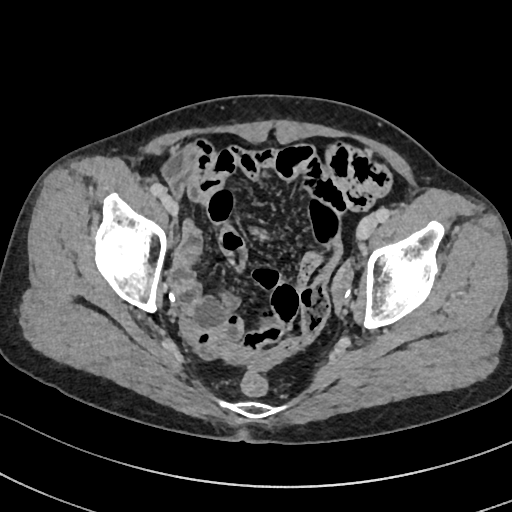 CT, abdomen/pelvis · axial view · 512x512 px · acquired on SOMATOM Force
Boxes are (x1, y1, x2, y2) in pixels.
prostate/uterus: (223, 346, 247, 362)